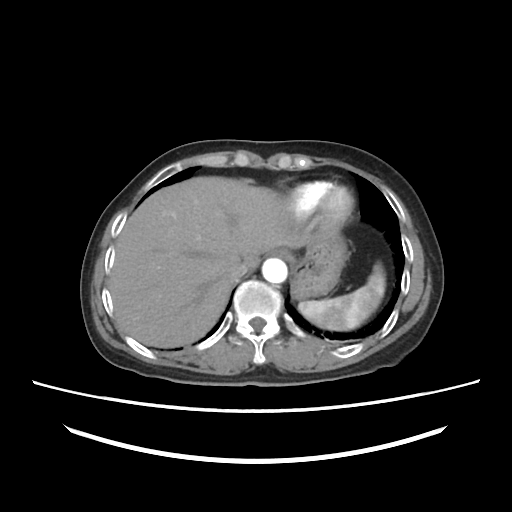

Computed tomography, abdomen — Axial slice 81/96 — W/L 400/40 HU — 62-year-old female patient — scan has 15 labeled organs (counted over the whole 3D scan, not this slice; an organ is boxed only where this slice passes through it)
Each box given as x1,y1,x2,y2. Labeled organs on this slice: spleen at x1=298, y1=263, x2=385, y2=330, esophagus at x1=271, y1=249, x2=291, y2=259, liver at x1=108, y1=176, x2=310, y2=347, stomach at x1=293, y1=227, x2=346, y2=298, aorta at x1=262, y1=258, x2=287, y2=283, inferior vena cava at x1=227, y1=261, x2=246, y2=279.